CT of the abdomen reaching into the lower chest, slice just above the liver and spleen; axial view; soft-tissue window (W 400 / L 40); acquired on SOMATOM Force; scan has 15 labeled organs (counted over the whole 3D scan, not this slice; an organ is boxed only where this slice passes through it)
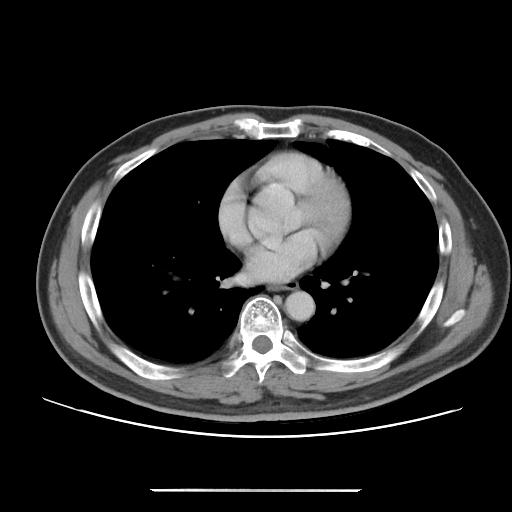
No part of the heart or lungs is labeled in this dataset, so neither has a box here. Coordinates as <box>x1,y1,x2,y2</box> in pixels. The annotated organs in this slice are: esophagus at <box>269,281,297,290</box>, aorta at <box>285,291,315,321</box>.